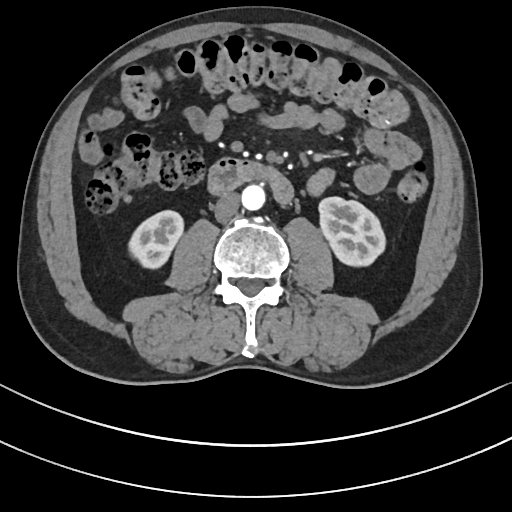 CT, abdomen/pelvis; axial view; abdomen soft-tissue window; scan has 15 labeled organs (a whole-scan count: organs this slice does not pass through have no box)
Organ boxes in pixel coordinates; each row gives the top-left (x1, y1) and bottom-right (x2, y2) corners.
| organ | x1 | y1 | x2 | y2 |
|---|---|---|---|---|
| inferior vena cava | 213 | 192 | 239 | 222 |
| aorta | 241 | 185 | 265 | 211 |
| duodenum | 206 | 157 | 293 | 205 |
| left kidney | 318 | 196 | 386 | 265 |
| right kidney | 129 | 210 | 184 | 268 |